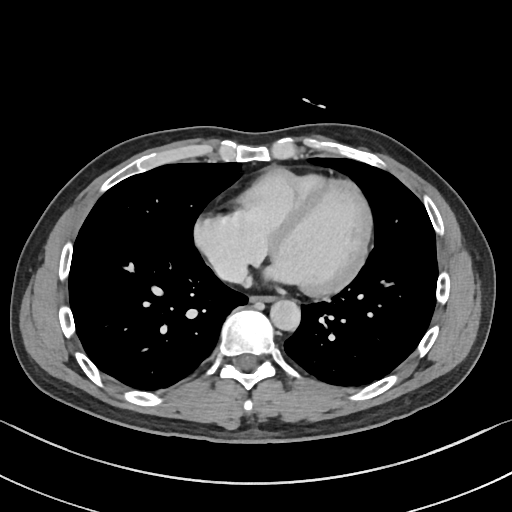
Lower-chest slice from an abdominal CT, just above the liver and spleen; axial view
The heart and lungs are never labeled in this dataset, so they have no box on this slice. Boxes are (x1, y1, x2, y2) in pixels. 3 labeled organs on this slice — aorta at (270, 300, 300, 331); esophagus at (251, 296, 275, 302); inferior vena cava at (215, 257, 248, 280).